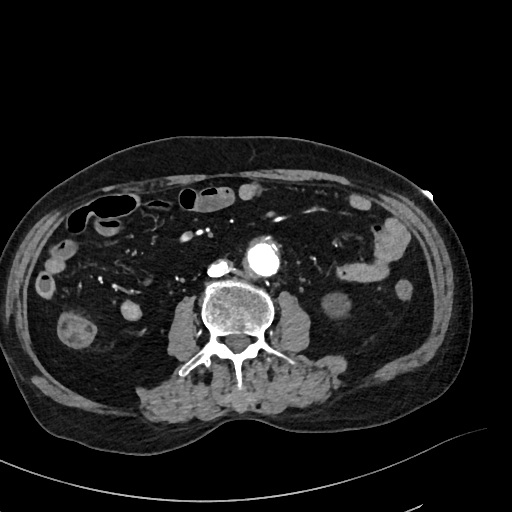

CT abdomen. axial plane, index 121. acquired on SOMATOM Force
Boxes: x1 y1 x2 y2 (pixel coords, space-separated).
left kidney: 322 293 350 318
aorta: 246 242 279 276
inferior vena cava: 208 261 228 276